Abdominal CT reaching into the chest; this slice is in the chest; axial view; soft-tissue window, W/L 400/40; 15 organs annotated in this scan (counted over the whole 3D scan, not this slice; an organ is boxed only where this slice passes through it)
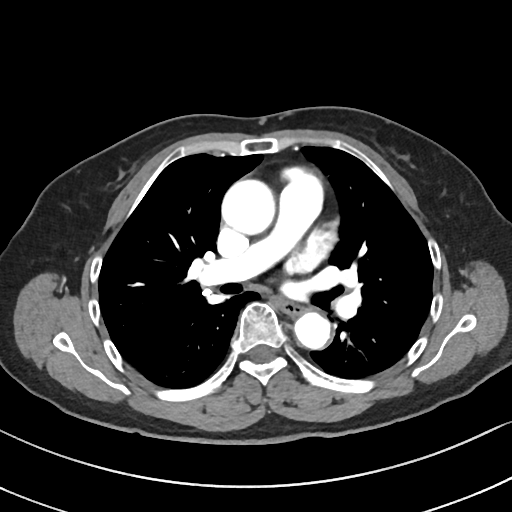
At this level of the chest this dataset labels only the esophagus and the aorta, and each is boxed only where it is labeled; the heart and lungs are never labeled.
Boxes: x1:y1:x2:y2 in pixels.
Organ bounding boxes:
- esophagus: 279:303:302:315
- aorta: 222:180:275:235
- aorta: 294:312:330:349